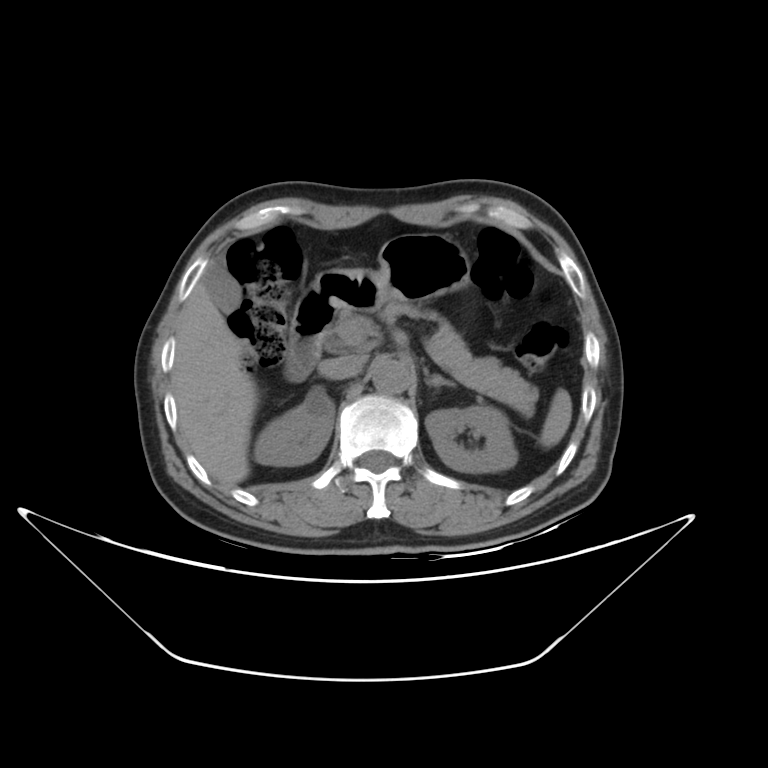
CT abdomen · Axial slice 80/101 · 71-year-old male patient
Bounding boxes as [x1, y1, x2, y2] in pixel coordinates. Labeled organs on this slice: duodenum at [285, 270, 387, 384], right kidney at [255, 389, 333, 466], left kidney at [426, 407, 515, 471], gall bladder at [206, 255, 239, 312], left adrenal gland at [425, 375, 456, 388], inferior vena cava at [320, 354, 368, 378], liver at [172, 273, 256, 488], pancreas at [381, 302, 538, 417], aorta at [372, 360, 407, 394], stomach at [373, 233, 473, 300], spleen at [538, 388, 572, 449].